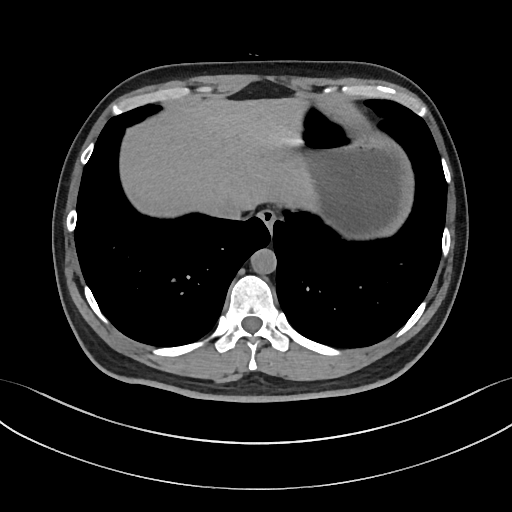
CT abdomen; axial view; soft-tissue window (W 400 / L 40); SOMATOM Force scanner
{"organs":{"inferior vena cava":[214,198,254,218],"aorta":[251,248,276,274],"stomach":[302,105,413,237],"liver":[119,98,317,217],"esophagus":[258,208,276,228]}}